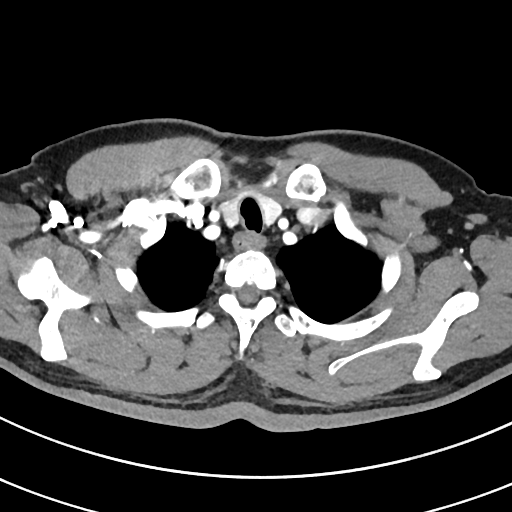 CT of the abdomen extending into the chest, slice through the chest; axial plane, index 286
At this level of the chest no structure but the esophagus and the aorta has a label in this dataset, and those two are boxed only where they are labeled.
Box edges are left/top/right/bottom in pixels.
Organ bounding boxes:
- esophagus: left=233, top=231, right=264, bottom=251